CT abdomen. axial view. 768x768 px
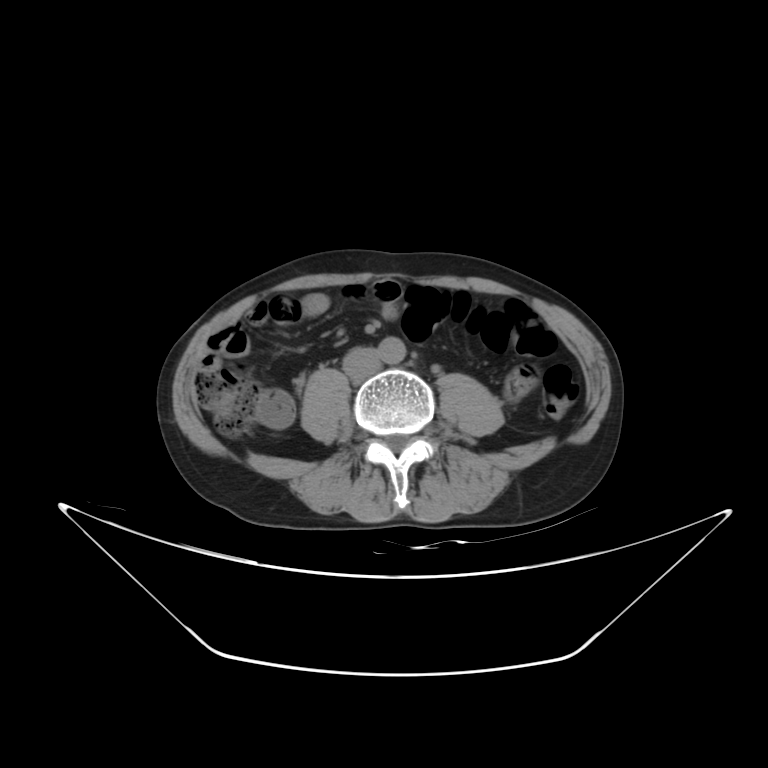

Boxes: x1 y1 x2 y2 (pixel coords, space-separated).
Organ bounding boxes:
- left kidney: 283 557 286 557
- aorta: 377 337 405 364
- inferior vena cava: 342 347 381 379